CT, abdomen/pelvis — axial view — soft-tissue window (W 400 / L 40) — acquired on Aquilion ONE — 15 organs annotated in this scan (counted over the whole 3D scan, not this slice; an organ is boxed only where this slice passes through it)
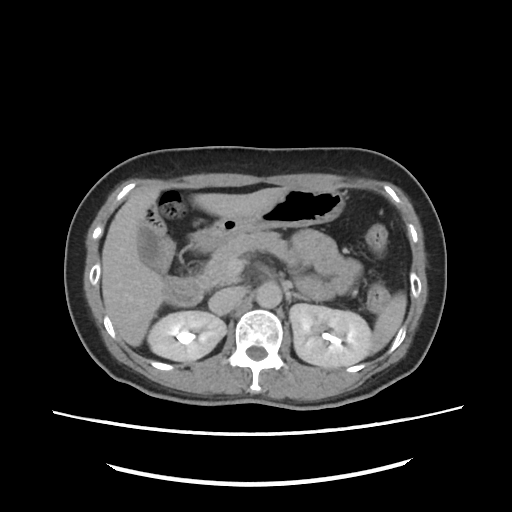 Bounding boxes in pixels, one row per box: x1, y1 is the top-left corner and x2, y2 the bottom-right.
| organ | x1 | y1 | x2 | y2 |
|---|---|---|---|---|
| liver | 101 | 186 | 286 | 346 |
| left adrenal gland | 282 | 283 | 305 | 305 |
| left kidney | 289 | 303 | 371 | 368 |
| spleen | 373 | 292 | 407 | 352 |
| duodenum | 163 | 276 | 204 | 304 |
| right kidney | 147 | 311 | 227 | 362 |
| gall bladder | 138 | 225 | 158 | 272 |
| aorta | 257 | 282 | 281 | 308 |
| stomach | 189 | 184 | 346 | 250 |
| inferior vena cava | 209 | 288 | 242 | 314 |
| pancreas | 199 | 232 | 299 | 289 |